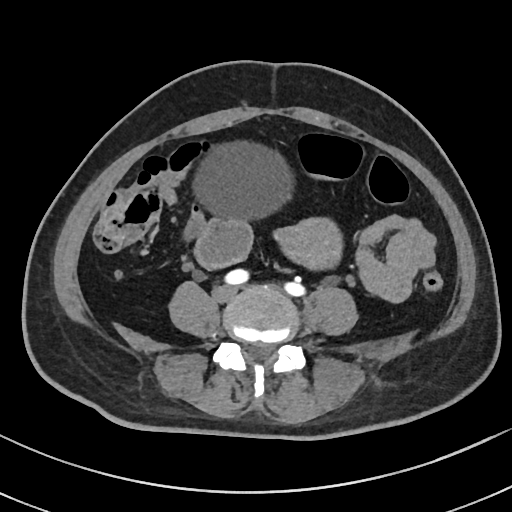 CT abdomen — axial plane, index 84 — 512x512 px — SOMATOM Force scanner — scan has 15 labeled organs (a whole-scan count: organs this slice does not pass through have no box)
Box edges are left/top/right/bottom in pixels.
bladder: left=192, top=140, right=295, bottom=222
prostate/uterus: left=276, top=219, right=343, bottom=270